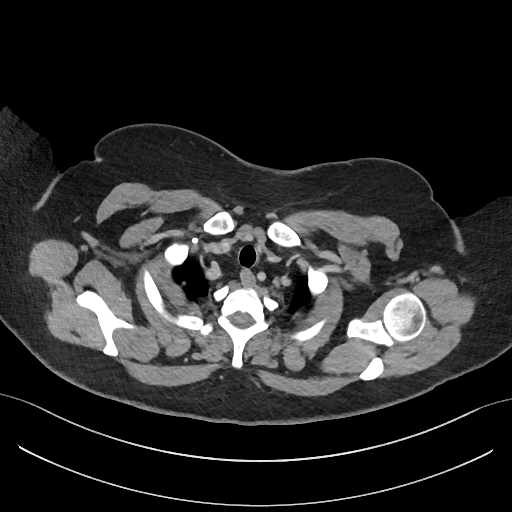

Chest-level CT slice, above the liver and spleen; axial view
On a slice this high in the chest, this dataset labels only the esophagus and the aorta, and each is boxed only where it is labeled; the heart, lungs and other chest structures are not labeled.
<organs><organ name="esophagus" x1="240" y1="269" x2="254" y2="287"/></organs>